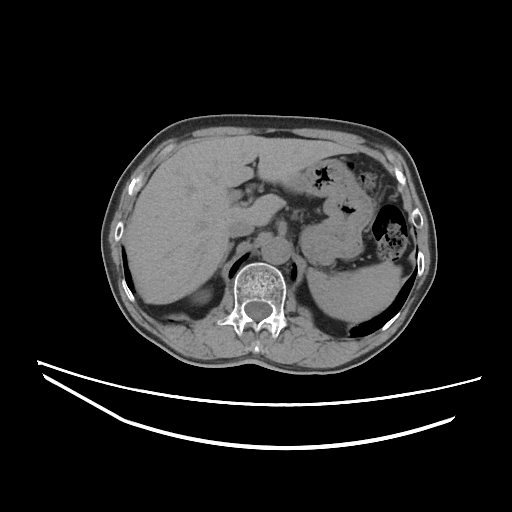

Abdominal CT — axial view — abdomen soft-tissue window — 15 organs annotated in this scan (counted over the whole 3D scan, not this slice; an organ is boxed only where this slice passes through it)
Bounding boxes as [x1, y1, x2, y2] in pixel coordinates.
spleen: [307, 261, 401, 321]
right kidney: [192, 289, 211, 303]
liver: [125, 135, 353, 304]
stomach: [286, 158, 374, 264]
aorta: [261, 237, 290, 264]
inferior vena cava: [227, 220, 254, 237]
right adrenal gland: [220, 242, 234, 265]